CT abdomen · Axial slice 25/218 · W/L 400/40 HU
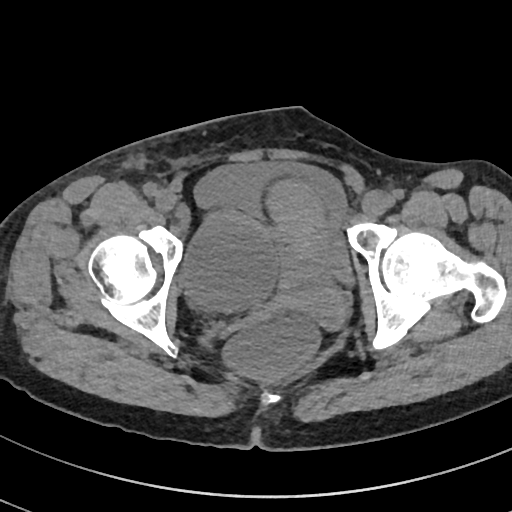 Boxes are (x1, y1, x2, y2) in pixels.
Organ bounding boxes:
- prostate/uterus: (266, 179, 344, 326)
- bladder: (193, 161, 353, 285)